Computed tomography, abdomen. axial plane, index 41
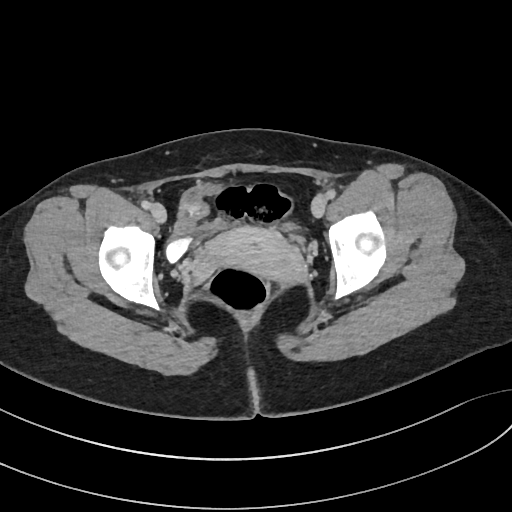

{"organs":{"bladder":[166,182,299,261],"prostate/uterus":[208,226,304,282]}}